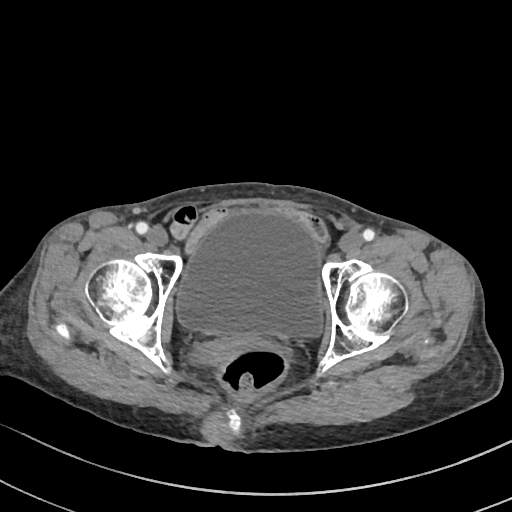
CT abdomen — Axial slice 58/236 — soft-tissue window
<organs><organ name="bladder" x1="177" y1="210" x2="321" y2="336"/></organs>